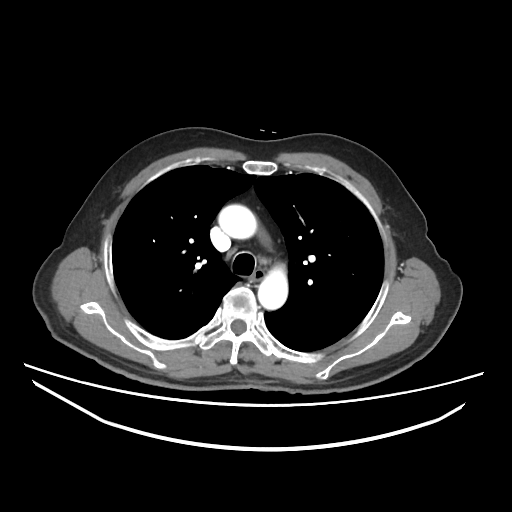 Chest-level slice from an abdominal CT that extends up into the chest · axial view · W/L 400/40 HU · 58-year-old male patient
At this level of the chest this dataset labels only the esophagus and the aorta, and each is boxed only where it is labeled; the heart and lungs are never labeled.
Bounding boxes as [x1, y1, x2, y2] in pixel coordinates.
esophagus: [249, 272, 263, 285]
aorta: [218, 204, 256, 239]
aorta: [257, 266, 287, 309]